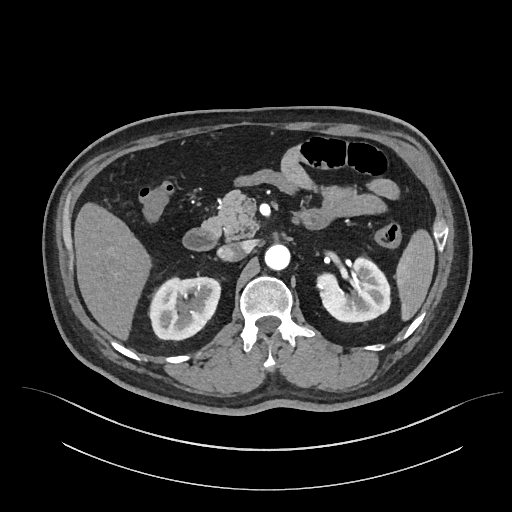 Computed tomography, abdomen. axial plane, index 172. abdomen soft-tissue window. 15 organs annotated in this scan (counted over the whole 3D scan, not this slice; an organ is boxed only where this slice passes through it)
Each box given as x1,y1,x2,y2.
spleen: x1=396, y1=232, x2=434, y2=318
duodenum: x1=182, y1=227, x2=217, y2=250
pancreas: x1=202, y1=190, x2=259, y2=240
liver: x1=74, y1=202, x2=148, y2=338
inferior vena cava: x1=217, y1=242, x2=248, y2=261
aorta: x1=265, y1=244, x2=290, y2=269
left kidney: x1=317, y1=255, x2=390, y2=321
right kidney: x1=148, y1=274, x2=220, y2=339